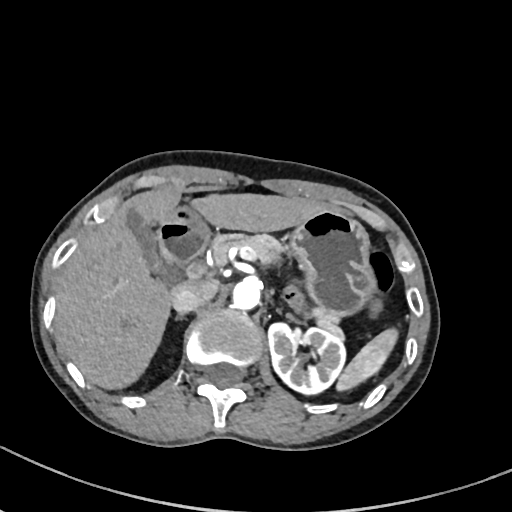

Abdominal CT; axial view; 512x512 px; SOMATOM Force scanner
Coordinates as <box>x1,y1,x2,y2</box> in pixels. 9 labeled organs on this slice — spleen at <box>335,330,398,390</box>; left kidney at <box>266,322,346,393</box>; gall bladder at <box>128,210,160,271</box>; liver at <box>56,187,327,387</box>; stomach at <box>161,204,377,315</box>; aorta at <box>232,279,260,308</box>; inferior vena cava at <box>170,278,218,312</box>; pancreas at <box>210,233,341,336</box>; duodenum at <box>157,223,209,267</box>.